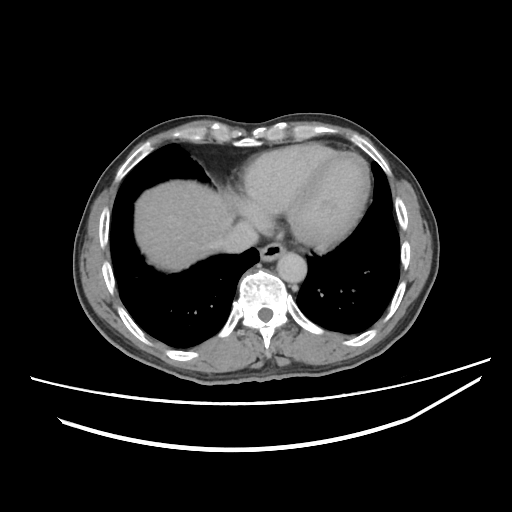

Computed tomography, abdomen · axial view · 512x512 px · 58-year-old male patient
Box edges are left/top/right/bottom in pixels. 4 labeled organs on this slice — esophagus at left=258, top=243, right=286, bottom=261; liver at left=134, top=181, right=235, bottom=272; aorta at left=276, top=252, right=307, bottom=283; inferior vena cava at left=223, top=222, right=257, bottom=253.